MRI of the abdomen reaching into the lower chest, slice just above the liver and spleen. Axial slice 68/72. percentile-normalized. Prisma scanner. 13 organs annotated in this scan (a whole-scan count: organs this slice does not pass through have no box)
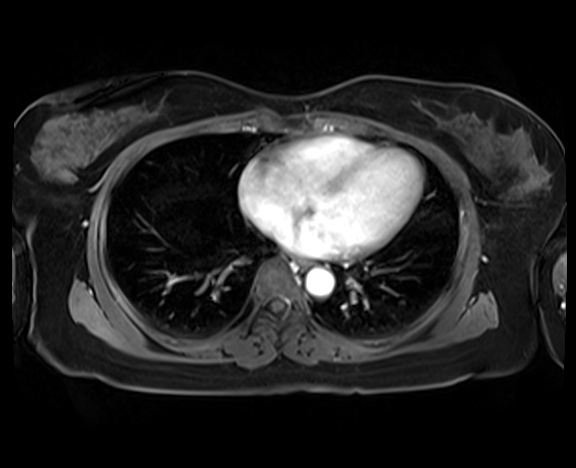 Of the structures in the chest, this dataset labels only the esophagus, the aorta and the inferior vena cava; the heart and lungs have no label.
Each box given as x1,y1,x2,y2.
esophagus: x1=296, y1=259, x2=310, y2=270
aorta: x1=305, y1=268, x2=334, y2=296